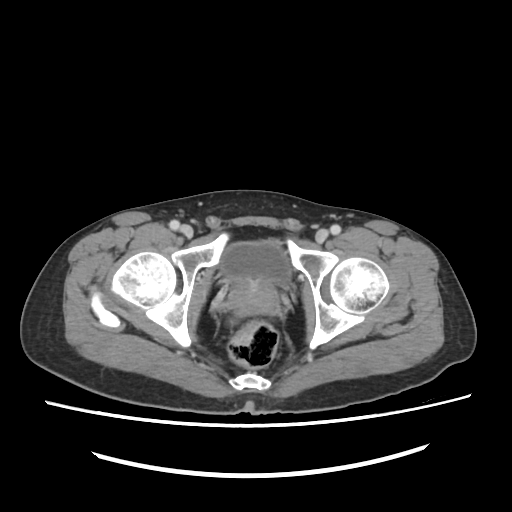

CT abdomen; axial view; soft-tissue window; 512x512 px
Boxes: x1 y1 x2 y2 (pixel coords, space-separated).
Organ bounding boxes:
- bladder: 223 242 287 280
- prostate/uterus: 229 277 277 315